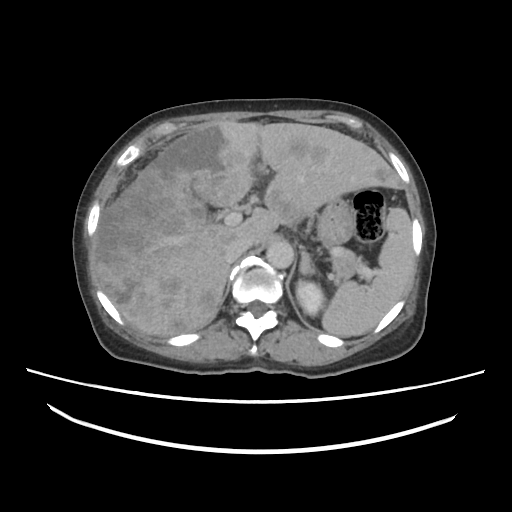 Computed tomography, abdomen — axial plane, index 73 — 71-year-old female patient
Boxes: x1 y1 x2 y2 (pixel coords, space-separated).
spleen: 322 207 413 337
left kidney: 297 280 325 316
liver: 92 121 398 335
stomach: 316 198 351 245
aorta: 266 240 292 268
inferior vena cava: 224 239 250 260
pancreas: 331 249 359 281
left adrenal gland: 298 252 324 276